CT abdomen. axial view. W/L 400/40 HU. 512x512 px
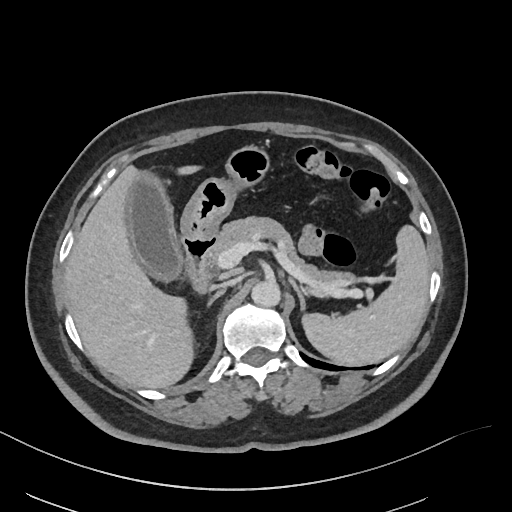

Boxes: x1 y1 x2 y2 (pixel coords, space-separated). 10 labeled organs on this slice — spleen at 304 226 429 366; gall bladder at 124 171 181 281; liver at 65 164 198 387; stomach at 142 147 268 238; aorta at 251 280 279 306; inferior vena cava at 213 280 234 290; pancreas at 205 217 358 285; right adrenal gland at 208 290 224 304; left adrenal gland at 287 277 305 311; duodenum at 182 237 213 295.